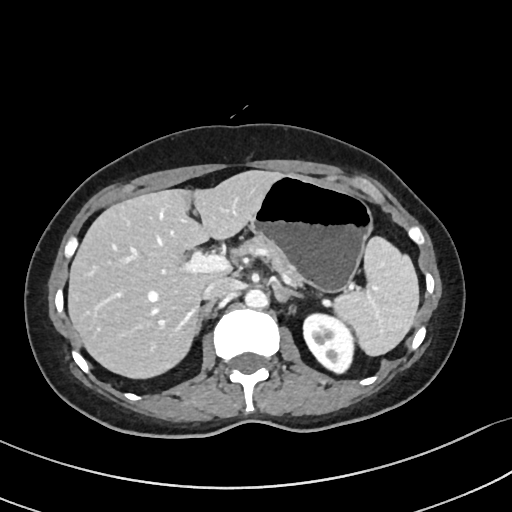 Computed tomography, abdomen — axial view
Box edges are left/top/right/bottom in pixels.
Organ bounding boxes:
- spleen: left=330, top=237, right=419, bottom=355
- left kidney: left=302, top=313, right=353, bottom=374
- liver: left=67, top=170, right=282, bottom=379
- stomach: left=251, top=174, right=373, bottom=293
- aorta: left=245, top=289, right=267, bottom=309
- inferior vena cava: left=202, top=276, right=235, bottom=301
- pancreas: left=238, top=238, right=301, bottom=285
- right adrenal gland: left=196, top=302, right=214, bottom=337
- left adrenal gland: left=271, top=283, right=306, bottom=303